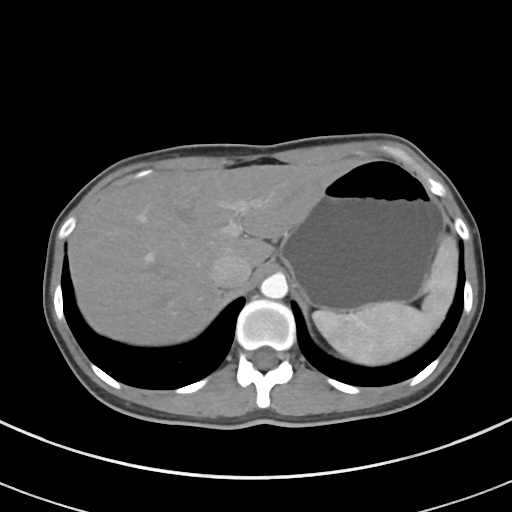

Computed tomography, abdomen — axial view — 512x512 px — 15 organs annotated in this scan (counted over the whole 3D scan, not this slice; an organ is boxed only where this slice passes through it)
Boxes: x1 y1 x2 y2 (pixel coords, space-separated).
stomach: 279 159 443 310
liver: 68 159 357 345
inferior vena cava: 211 254 251 288
aorta: 260 273 288 298
spleen: 313 235 457 365